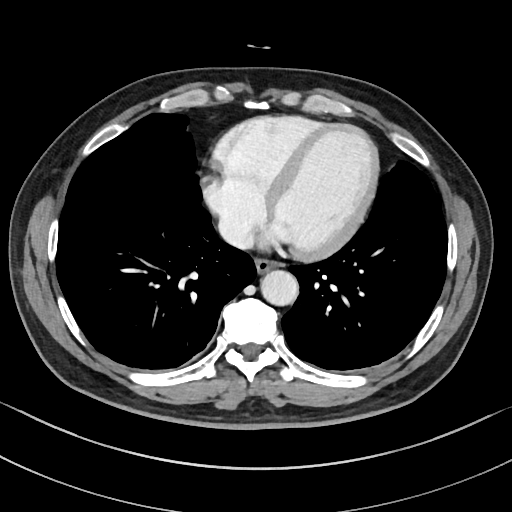

CT of the abdomen reaching into the lower chest, slice just above the liver and spleen. Axial slice 218/232. soft-tissue window. 512x512 px
No part of the heart or lungs is labeled in this dataset, so neither has a box here.
Organ boxes in pixel coordinates; each row gives the top-left (x1, y1) and bottom-right (x2, y2) corners.
| organ | x1 | y1 | x2 | y2 |
|---|---|---|---|---|
| aorta | 261 | 271 | 299 | 306 |
| inferior vena cava | 219 | 218 | 250 | 247 |
| esophagus | 255 | 259 | 278 | 274 |